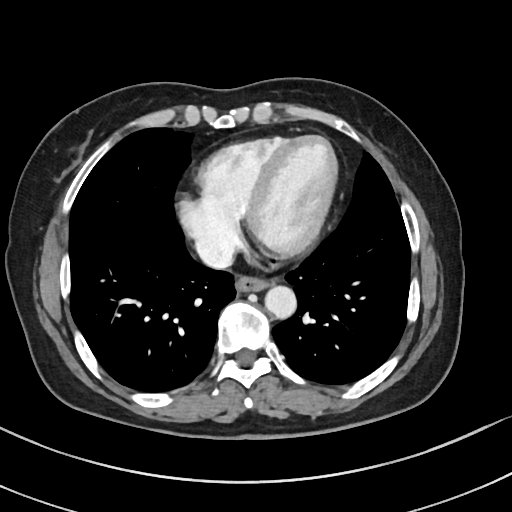 CT of the abdomen reaching into the lower chest, slice just above the liver and spleen · axial plane, index 225 · W/L 400/40 HU
Of the structures in the chest, this dataset labels only the esophagus, the aorta and the inferior vena cava; the heart and lungs have no label.
Boxes: x1 y1 x2 y2 (pixel coords, space-separated).
aorta: 264 286 296 318
inferior vena cava: 195 235 234 268
esophagus: 235 276 272 292